Computed tomography, abdomen; axial view; soft-tissue window (W 400 / L 40); acquired on SOMATOM Force
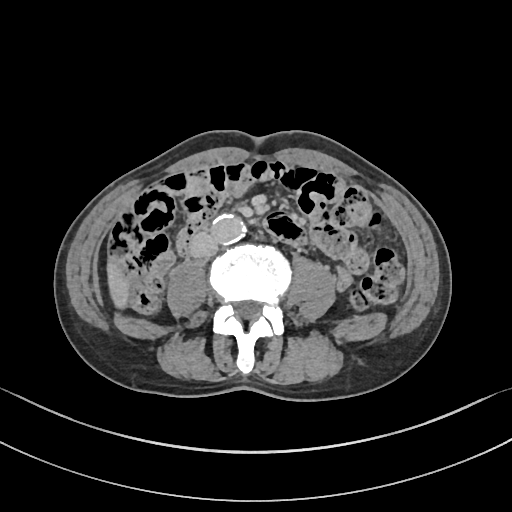

Box edges are left/top/right/bottom in pixels. 3 labeled organs on this slice — liver at left=107, top=259, right=130, bottom=308; aorta at left=211, top=215, right=245, bottom=244; inferior vena cava at left=190, top=235, right=217, bottom=257.